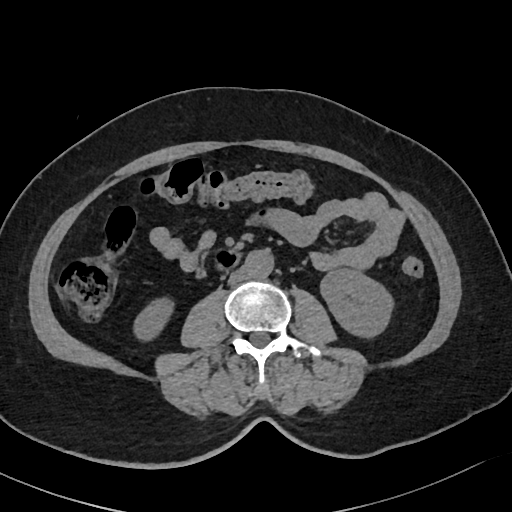

CT, abdomen/pelvis. axial view. soft-tissue window
Coordinates as <box>x1,y1,x2,y2</box> in pixels. Labeled organs on this slice: right kidney at <box>135,300,170,340</box>, left kidney at <box>321,269,390,335</box>, aorta at <box>245,249,274,277</box>, inferior vena cava at <box>228,269,246,283</box>, duodenum at <box>218,250,239,269</box>.